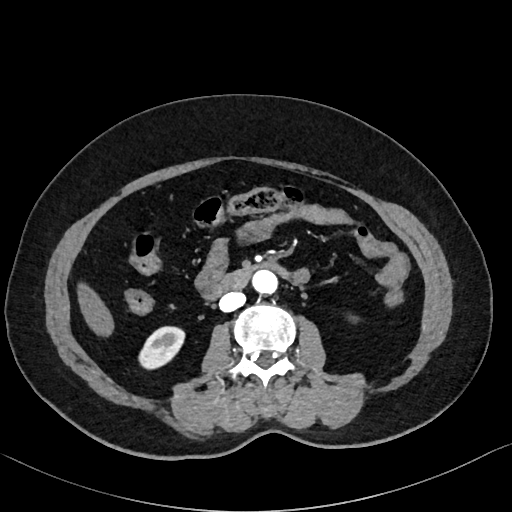

Abdominal CT; axial view; soft-tissue window (W 400 / L 40); 512x512 px; acquired on SOMATOM Force
<organs><organ name="right kidney" x1="140" y1="326" x2="185" y2="369"/><organ name="liver" x1="76" y1="284" x2="115" y2="336"/><organ name="aorta" x1="253" y1="271" x2="278" y2="294"/><organ name="inferior vena cava" x1="219" y1="292" x2="245" y2="312"/><organ name="duodenum" x1="201" y1="262" x2="291" y2="302"/></organs>